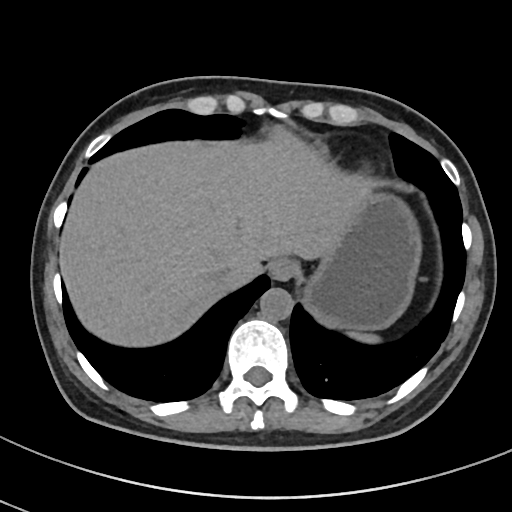 Abdominal CT · Axial slice 197/218 · W/L 400/40 HU
Each box given as x1,y1,x2,y2. The annotated organs in this slice are: spleen at x1=353, y1=333, x2=378, y2=342, stomach at x1=304, y1=193, x2=420, y2=329, esophagus at x1=269, y1=257, x2=297, y2=281, liver at x1=60, y1=128, x2=364, y2=346, inferior vena cava at x1=211, y1=266, x2=233, y2=280, aorta at x1=260, y1=288, x2=293, y2=321.